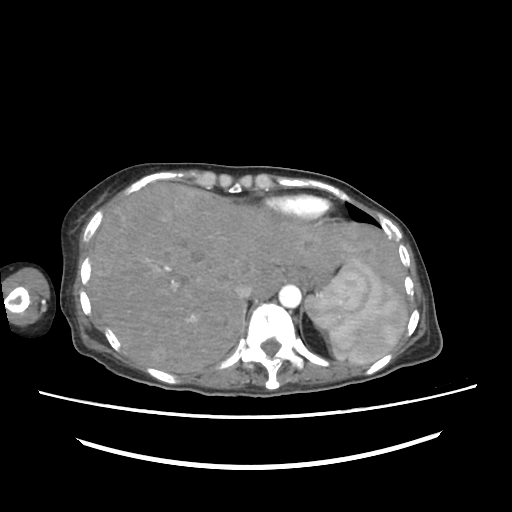
CT, abdomen/pelvis · axial plane, index 72 · 512x512 px
{"organs":{"inferior vena cava":[234,283,252,299],"liver":[89,183,404,373],"spleen":[306,258,407,364],"stomach":[292,267,336,292],"esophagus":[286,269,297,282],"aorta":[279,284,301,307]}}